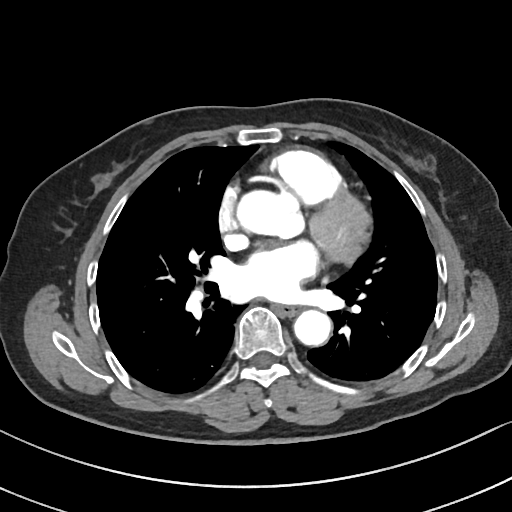

CT of the abdomen reaching into the lower chest, slice just above the liver and spleen — axial plane, index 225 — 15 organs annotated in this scan (counted over the whole 3D scan, not this slice; an organ is boxed only where this slice passes through it)
No part of the heart or lungs is labeled in this dataset, so neither has a box here.
<organs><organ name="esophagus" x1="277" y1="305" x2="297" y2="315"/><organ name="aorta" x1="237" y1="191" x2="305" y2="240"/><organ name="aorta" x1="294" y1="310" x2="330" y2="345"/></organs>